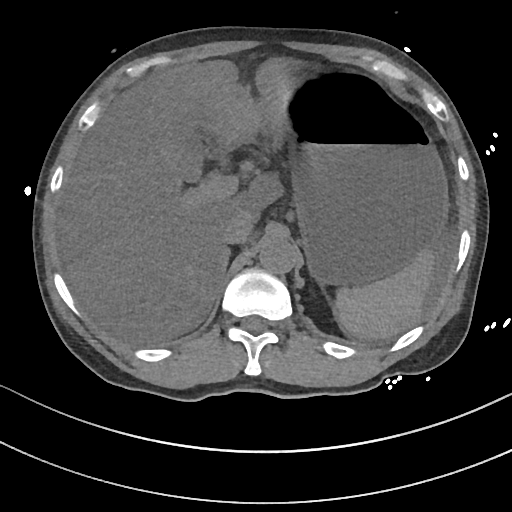
CT, abdomen/pelvis · Axial slice 192/252 · W/L 400/40 HU · 512x512 px
<organs><organ name="spleen" x1="333" y1="249" x2="436" y2="340"/><organ name="liver" x1="57" y1="58" x2="292" y2="343"/><organ name="stomach" x1="283" y1="66" x2="448" y2="285"/><organ name="aorta" x1="259" y1="238" x2="297" y2="274"/><organ name="inferior vena cava" x1="222" y1="214" x2="251" y2="244"/></organs>